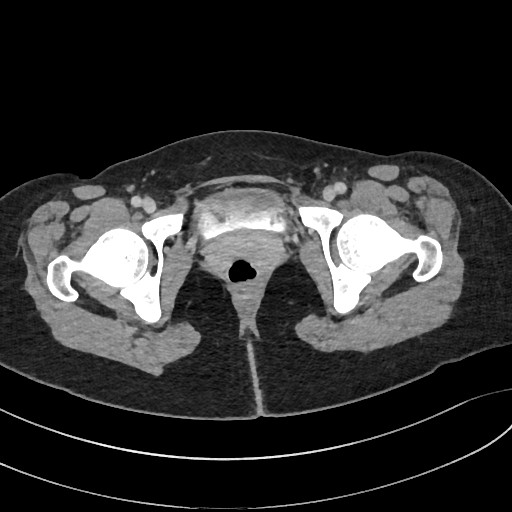

CT abdomen. axial view. soft-tissue window. 512x512 px
Each box given as x1,y1,x2,y2.
Organ bounding boxes:
- bladder: x1=200, y1=188, x2=285, y2=238